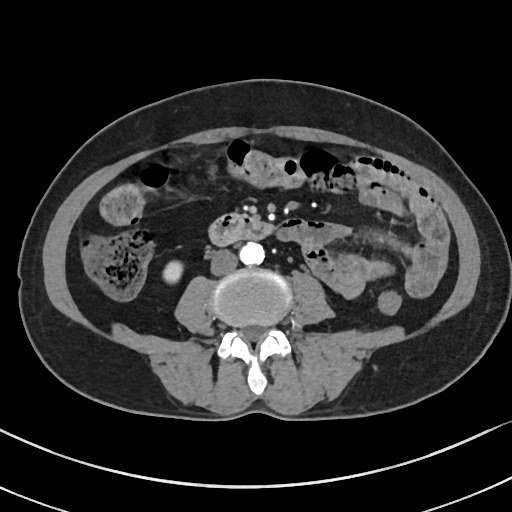
Computed tomography, abdomen — axial plane, index 107 — 15 organs annotated in this scan (counted over the whole 3D scan, not this slice; an organ is boxed only where this slice passes through it)
{"organs":{"aorta":[240,242,264,265],"right kidney":[163,262,182,282],"inferior vena cava":[211,250,238,275],"duodenum":[207,213,273,246]}}